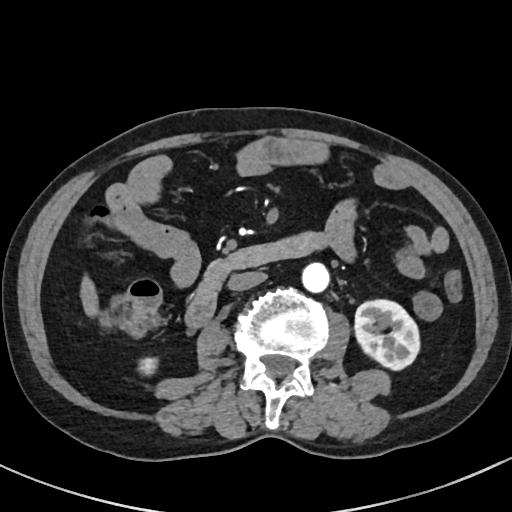

Abdominal CT. Axial slice 132/303. soft-tissue window (W 400 / L 40). 512x512 px. SOMATOM Force scanner. scan has 15 labeled organs (that count is for the whole scan; organs this slice misses have no box)
{"organs":{"liver":[80,276,98,316],"aorta":[302,262,329,292],"left kidney":[355,299,419,369],"right kidney":[138,356,157,375],"duodenum":[185,231,326,329],"inferior vena cava":[228,271,266,291],"pancreas":[202,259,222,275]}}